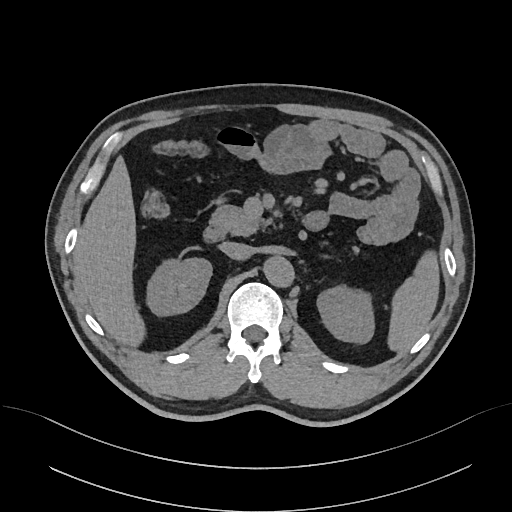

CT, abdomen/pelvis. axial view. soft-tissue window (W 400 / L 40)
One row per box, in pixels: columns x1 and y1 give the top-left corner, x2 and y2 the bottom-right.
| organ | x1 | y1 | x2 | y2 |
|---|---|---|---|---|
| left kidney | 316 | 285 | 375 | 343 |
| inferior vena cava | 219 | 241 | 251 | 261 |
| spleen | 389 | 252 | 438 | 350 |
| duodenum | 204 | 225 | 227 | 241 |
| liver | 74 | 157 | 141 | 344 |
| aorta | 262 | 255 | 293 | 285 |
| right kidney | 145 | 257 | 212 | 316 |
| pancreas | 211 | 205 | 263 | 235 |